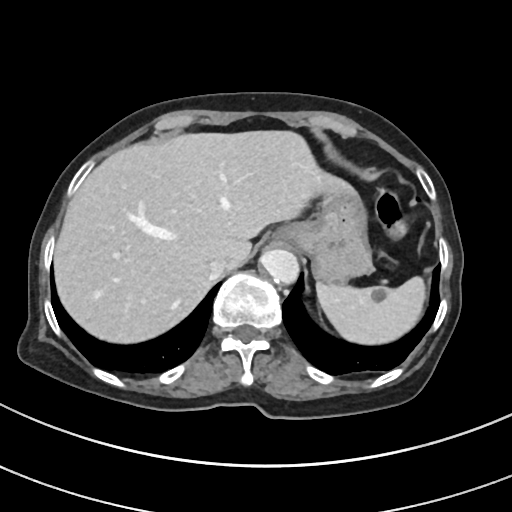 CT, abdomen/pelvis · axial plane, index 170 · acquired on SOMATOM Force · 15 organs annotated in this scan (a whole-scan count: organs this slice does not pass through have no box)
Boxes: x1:y1:x2:y2 in pixels.
spleen: 316:277:425:344
esophagus: 278:226:300:240
inferior vena cava: 207:259:227:278
aorta: 260:248:299:284
stomach: 291:194:372:283
liver: 54:130:363:343